CT abdomen; axial view
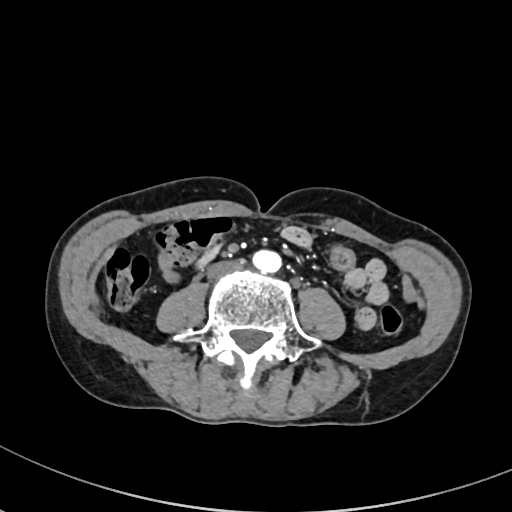
<organs><organ name="inferior vena cava" x1="207" y1="260" x2="243" y2="280"/><organ name="aorta" x1="251" y1="250" x2="281" y2="272"/></organs>